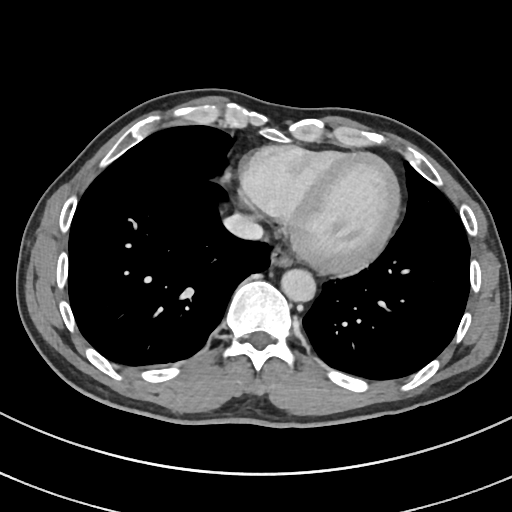 CT of the abdomen reaching into the lower chest, slice just above the liver and spleen. axial view. 512x512 px
The heart and lungs are never labeled in this dataset, so they have no box on this slice.
Box edges are left/top/right/bottom in pixels.
esophagus: left=268, top=247, right=292, bottom=268
aorta: left=282, top=270, right=316, bottom=302
inferior vena cava: left=224, top=215, right=262, bottom=241